CT abdomen — axial view — W/L 400/40 HU
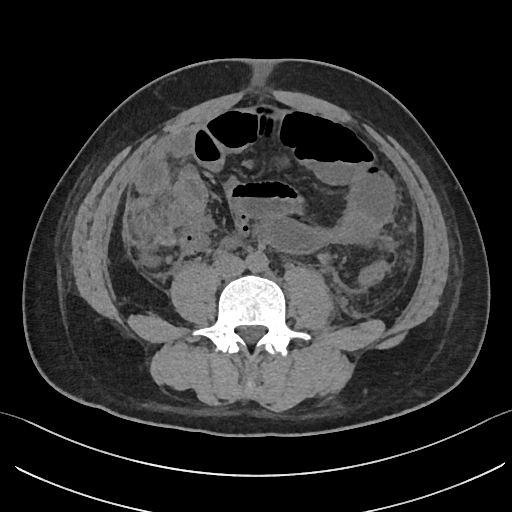

Coordinates as <box>x1,y1,x2,y2</box> in pixels.
aorta: <box>246,252,267,272</box>
inferior vena cava: <box>214,254,246,277</box>